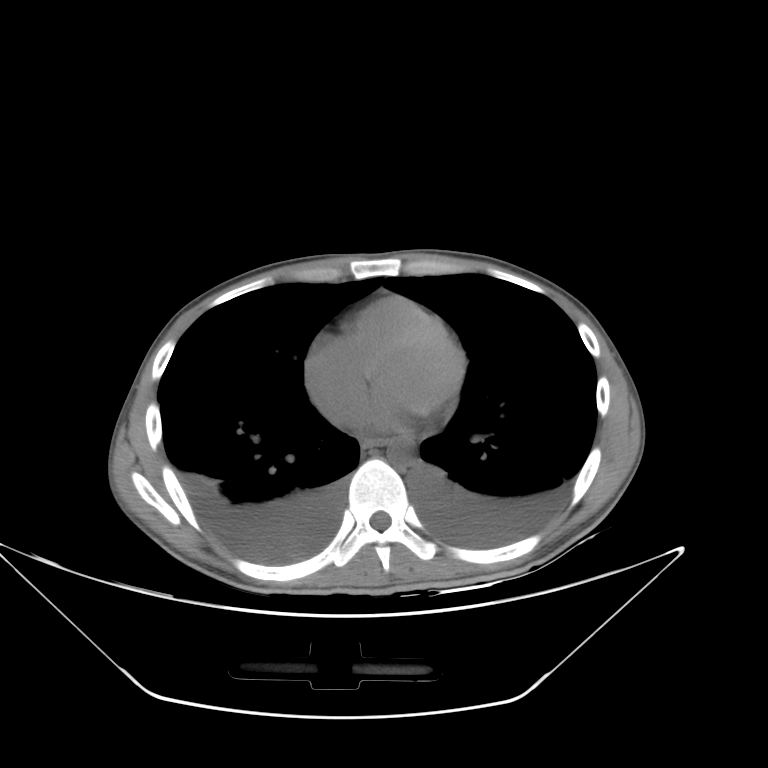

CT of the abdomen reaching into the lower chest, slice just above the liver and spleen; axial plane, index 102; soft-tissue window; 768x768 px; acquired on Brilliance16
The heart and lungs are never labeled in this dataset, so they have no box on this slice.
<organs><organ name="esophagus" x1="362" y1="437" x2="389" y2="448"/><organ name="aorta" x1="387" y1="440" x2="409" y2="464"/></organs>